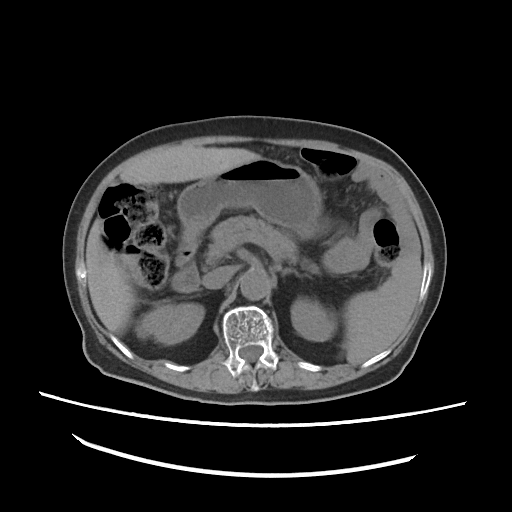
Computed tomography, abdomen — axial plane, index 66
Bounding boxes in pixels, one row per box: x1, y1 is the top-left corner and x2, y2 the bottom-right.
| organ | x1 | y1 | x2 | y2 |
|---|---|---|---|---|
| spleen | 345 | 254 | 421 | 364 |
| right kidney | 137 | 305 | 204 | 345 |
| left kidney | 291 | 298 | 336 | 341 |
| liver | 86 | 146 | 263 | 333 |
| stomach | 178 | 158 | 321 | 255 |
| aorta | 240 | 271 | 268 | 299 |
| inferior vena cava | 203 | 266 | 233 | 289 |
| pancreas | 205 | 215 | 321 | 276 |
| right adrenal gland | 197 | 288 | 200 | 289 |
| left adrenal gland | 274 | 265 | 300 | 276 |
| duodenum | 171 | 227 | 197 | 293 |